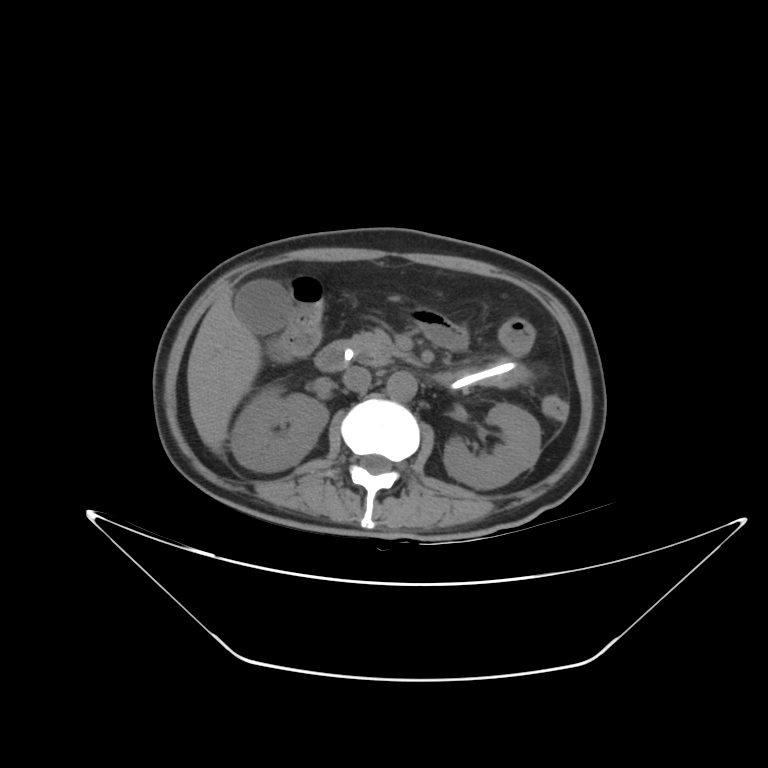

CT abdomen — axial plane, index 63 — W/L 400/40 HU — 768x768 px — scan has 15 labeled organs (that count is for the whole scan; organs this slice misses have no box)
Boxes are (x1, y1, x2, y2) in pixels.
Organ bounding boxes:
- right kidney: (230, 394, 327, 471)
- left kidney: (443, 404, 540, 489)
- gall bladder: (235, 280, 289, 333)
- liver: (187, 293, 260, 448)
- aorta: (387, 372, 416, 400)
- inferior vena cava: (342, 366, 370, 391)
- pancreas: (347, 328, 411, 366)
- duodenum: (314, 341, 348, 372)